Abdominal CT · Axial slice 23/89 · soft-tissue window · 68-year-old male patient · Aquilion ONE scanner
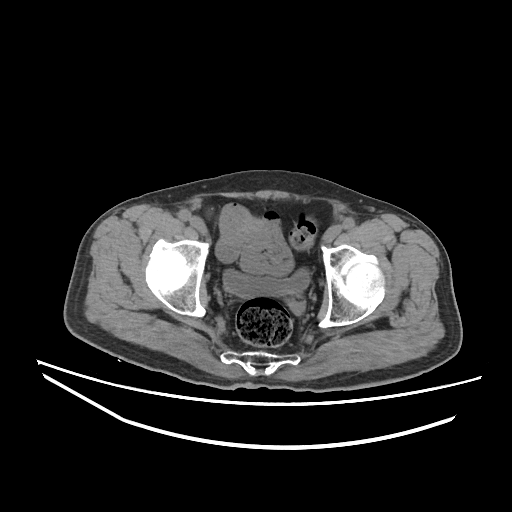
Boxes are (x1, y1, x2, y2) in pixels.
bladder: (223, 268, 309, 298)